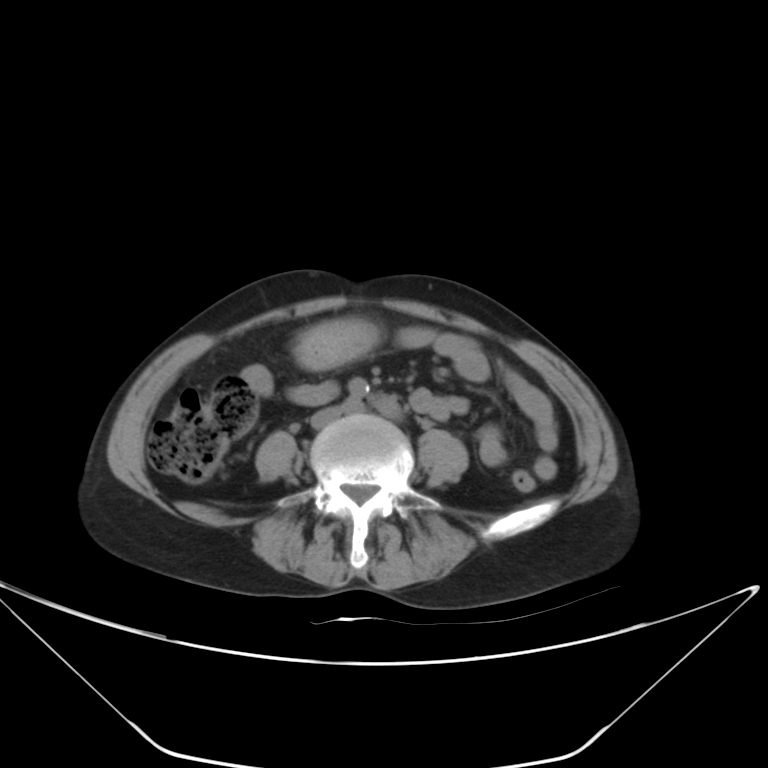

Computed tomography, abdomen; axial view; 768x768 px
<organs><organ name="inferior vena cava" x1="313" y1="408" x2="339" y2="425"/><organ name="stomach" x1="297" y1="322" x2="373" y2="368"/></organs>